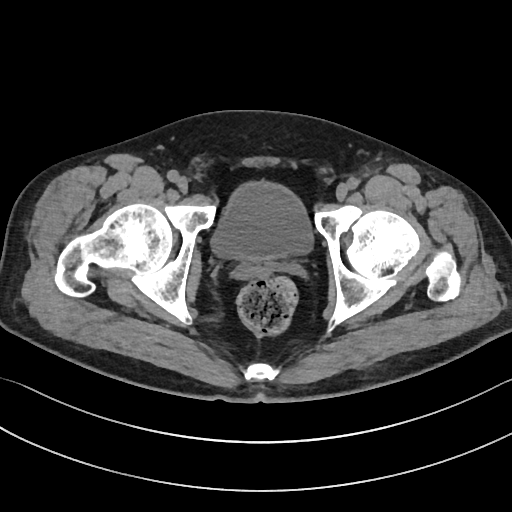

CT, abdomen/pelvis — axial plane, index 24 — W/L 400/40 HU — 512x512 px
<organs><organ name="bladder" x1="213" y1="184" x2="311" y2="257"/><organ name="prostate/uterus" x1="246" y1="258" x2="260" y2="263"/></organs>